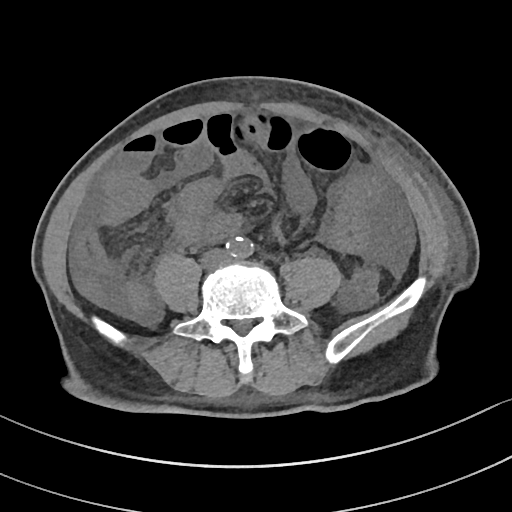 Computed tomography, abdomen; axial view; W/L 400/40 HU
Boxes: x1:y1:x2:y2 in pixels.
Organ bounding boxes:
- aorta: 226:237:253:257